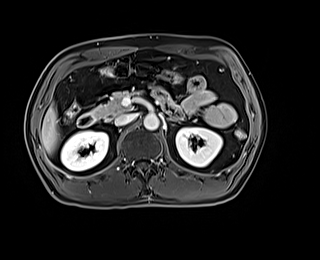
MRI, abdomen. Axial slice 13/72
{"organs":{"right kidney":[61,131,108,170],"left kidney":[176,127,222,167],"liver":[41,105,58,153],"aorta":[143,114,159,130],"inferior vena cava":[114,113,136,125],"pancreas":[91,91,139,118],"left adrenal gland":[167,118,176,122],"duodenum":[77,113,96,127]}}